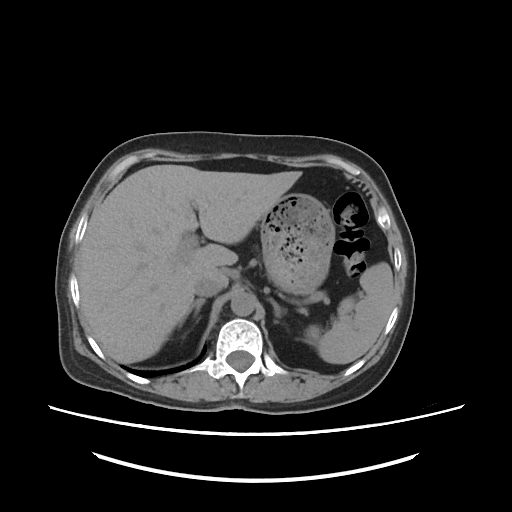

Abdominal CT; axial view; 512x512 px; 15 organs annotated in this scan (that count is for the whole scan; organs this slice misses have no box)
Each box given as x1,y1,x2,y2.
Organ bounding boxes:
- spleen: x1=306, y1=264, x2=394, y2=364
- liver: x1=78, y1=165, x2=301, y2=364
- stomach: x1=261, y1=194, x2=333, y2=294
- aorta: x1=229, y1=292, x2=257, y2=316
- inferior vena cava: x1=194, y1=280, x2=223, y2=295
- right adrenal gland: x1=176, y1=297, x2=205, y2=328
- left adrenal gland: x1=268, y1=297, x2=285, y2=317